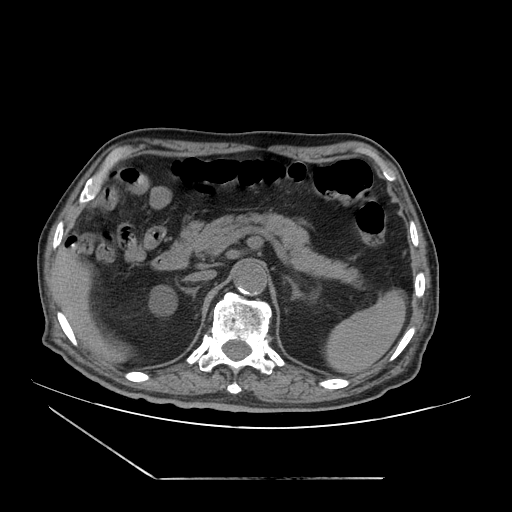
Abdominal CT — axial plane, index 139 — soft-tissue window — 512x512 px
Bounding boxes in pixels, one row per box: x1, y1 is the top-left corner and x2, y2 the bottom-right.
| organ | x1 | y1 | x2 | y2 |
|---|---|---|---|---|
| spleen | 326 | 289 | 406 | 374 |
| right kidney | 148 | 286 | 175 | 315 |
| liver | 55 | 247 | 128 | 365 |
| aorta | 233 | 261 | 267 | 296 |
| inferior vena cava | 185 | 271 | 215 | 283 |
| pancreas | 174 | 211 | 358 | 284 |
| right adrenal gland | 179 | 285 | 201 | 295 |
| left adrenal gland | 283 | 278 | 301 | 300 |
| duodenum | 152 | 245 | 189 | 270 |